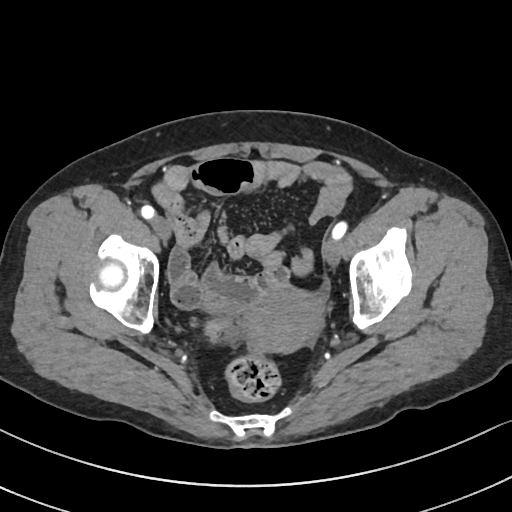 Computed tomography, abdomen · axial view
{"organs":{"prostate/uterus":[245,285,323,352]}}